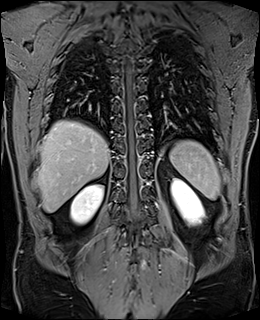

Magnetic resonance imaging, abdomen · coronal plane, index 27 · 1st–99th percentile window · Prisma scanner
Boxes: x1:y1:x2:y2 in pixels.
spleen: 169:140:220:200
right kidney: 70:185:103:224
left kidney: 171:178:204:225
liver: 37:120:109:212